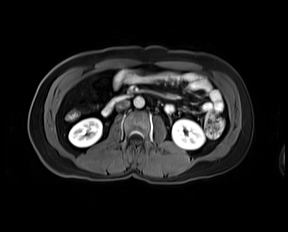
Magnetic resonance imaging, abdomen · axial view · 13 organs annotated in this scan (counted over the whole 3D scan, not this slice; an organ is boxed only where this slice passes through it)
{"organs":{"right kidney":[69,118,102,147],"left kidney":[172,119,205,149],"aorta":[133,96,144,107],"inferior vena cava":[116,101,129,110],"duodenum":[100,96,124,115]}}